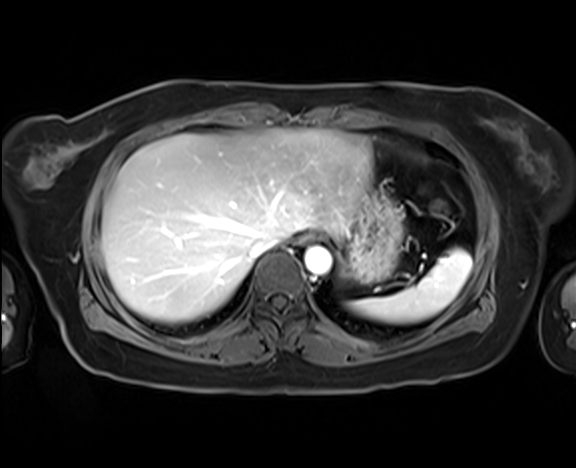

MRI, abdomen — axial view — percentile-normalized — 576x468 px
Bounding boxes as [x1, y1, x2, y2] in pixel coordinates. Labeled organs on this slice: spleen at [349, 249, 471, 323], esophagus at [300, 233, 320, 243], liver at [102, 128, 371, 322], stomach at [342, 181, 403, 283], aorta at [304, 246, 331, 275], inferior vena cava at [249, 235, 282, 259].